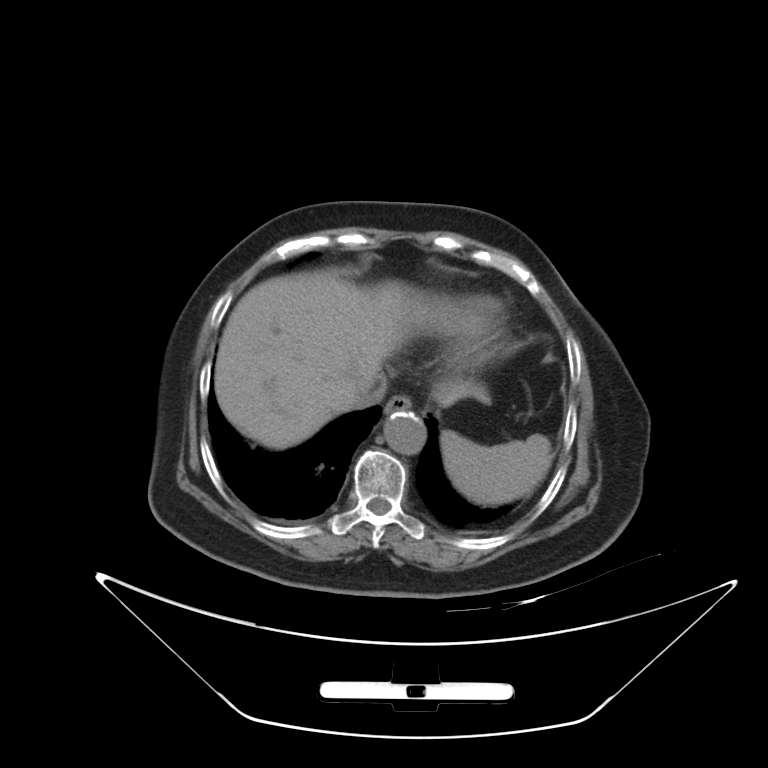

CT, abdomen/pelvis. Axial slice 80/89. 78-year-old female patient. scan has 15 labeled organs (that count is for the whole scan; organs this slice misses have no box)
{"organs":{"spleen":[441,431,553,505],"esophagus":[384,396,411,417],"liver":[214,271,487,449],"aorta":[384,412,425,454],"inferior vena cava":[338,374,385,411]}}